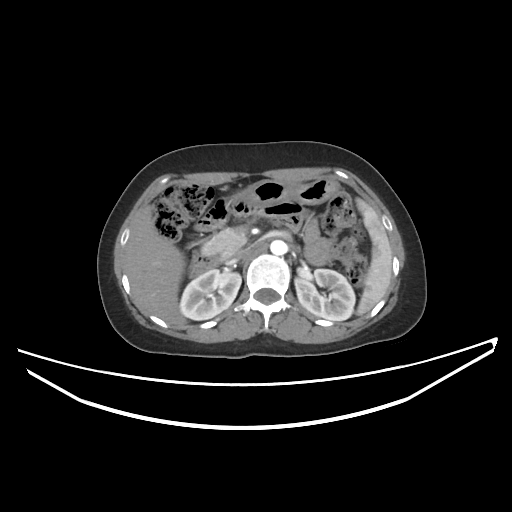

Abdominal CT; axial plane, index 68; soft-tissue window
Boxes are (x1, y1, x2, y2) in pixels.
aorta: (270, 240, 287, 255)
spleen: (356, 198, 391, 315)
left kidney: (295, 269, 355, 320)
duodenum: (190, 252, 221, 275)
right kidney: (180, 269, 241, 320)
liver: (125, 178, 301, 326)
stomach: (234, 178, 338, 207)
pancreas: (203, 228, 246, 259)
inferior vena cava: (228, 251, 245, 263)